Chest-level CT slice, above the liver and spleen; Axial slice 238/280
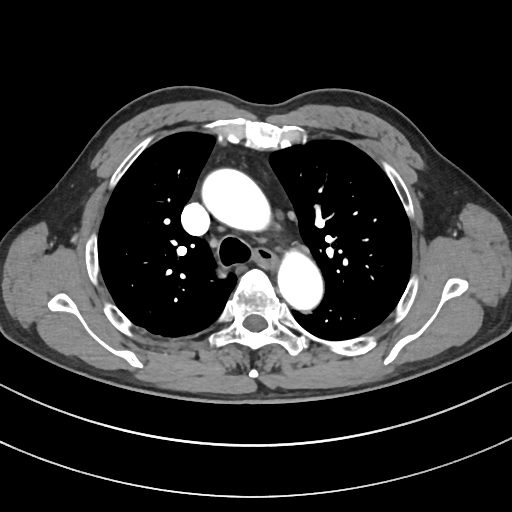 At this level of the chest this dataset labels only the esophagus and the aorta, and each is boxed only where it is labeled; the heart and lungs are never labeled.
{"organs":{"esophagus":[252,247,272,263],"aorta":[[204,170,275,234],[276,246,322,308]]}}